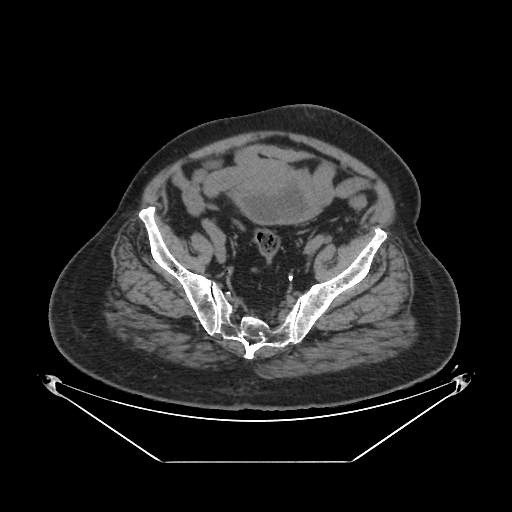
CT, abdomen/pelvis — Axial slice 86/353
{"organs":{"bladder":[234,171,319,223]}}